CT, abdomen/pelvis · axial view · 512x512 px · scan has 15 labeled organs (a whole-scan count: organs this slice does not pass through have no box)
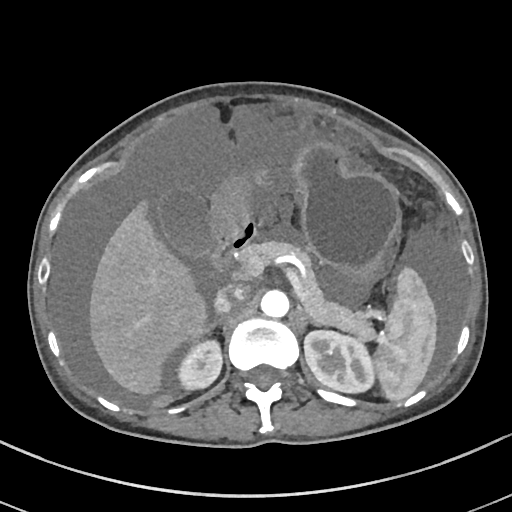
<organs><organ name="stomach" x1="207" y1="139" x2="399" y2="278"/><organ name="liver" x1="89" y1="200" x2="205" y2="394"/><organ name="spleen" x1="377" y1="266" x2="436" y2="399"/><organ name="right kidney" x1="179" y1="338" x2="223" y2="391"/><organ name="gall bladder" x1="161" y1="192" x2="207" y2="253"/><organ name="left adrenal gland" x1="294" y1="307" x2="321" y2="331"/><organ name="duodenum" x1="210" y1="229" x2="254" y2="279"/><organ name="inferior vena cava" x1="215" y1="286" x2="246" y2="313"/><organ name="pancreas" x1="236" y1="239" x2="376" y2="339"/><organ name="right adrenal gland" x1="205" y1="317" x2="222" y2="332"/><organ name="aorta" x1="260" y1="288" x2="288" y2="316"/><organ name="left kidney" x1="303" y1="329" x2="375" y2="393"/></organs>